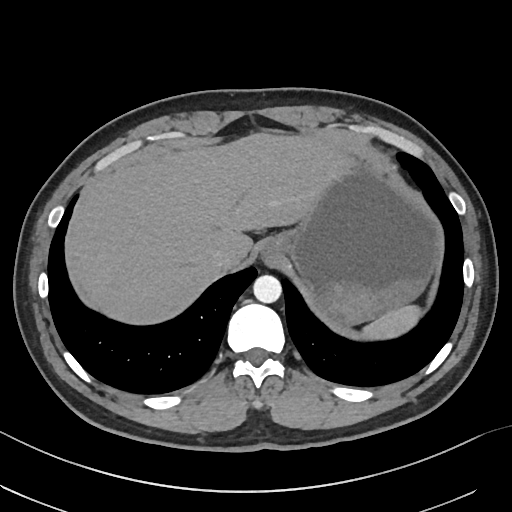 CT, abdomen/pelvis; axial view; W/L 400/40 HU; 512x512 px
<organs><organ name="spleen" x1="362" y1="307" x2="418" y2="339"/><organ name="esophagus" x1="257" y1="237" x2="283" y2="265"/><organ name="liver" x1="71" y1="133" x2="349" y2="322"/><organ name="stomach" x1="276" y1="157" x2="439" y2="323"/><organ name="aorta" x1="253" y1="275" x2="281" y2="303"/><organ name="inferior vena cava" x1="212" y1="247" x2="241" y2="271"/></organs>